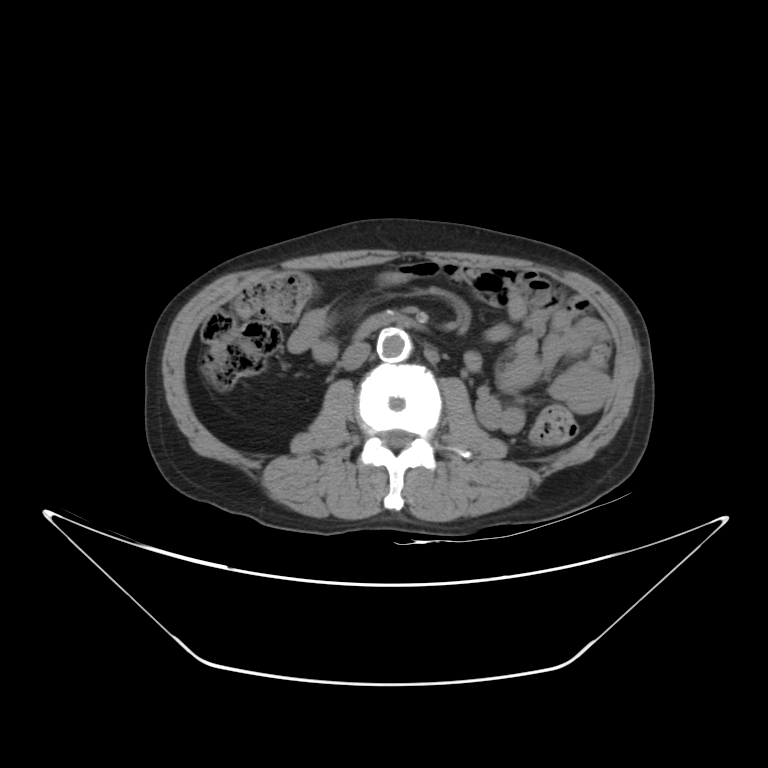

Abdominal CT. axial view. W/L 400/40 HU
Boxes: x1:y1:x2:y2 in pixels. The annotated organs in this slice are: inferior vena cava at 342:340:369:369, duodenum at 358:310:416:336, aorta at 377:328:411:360.